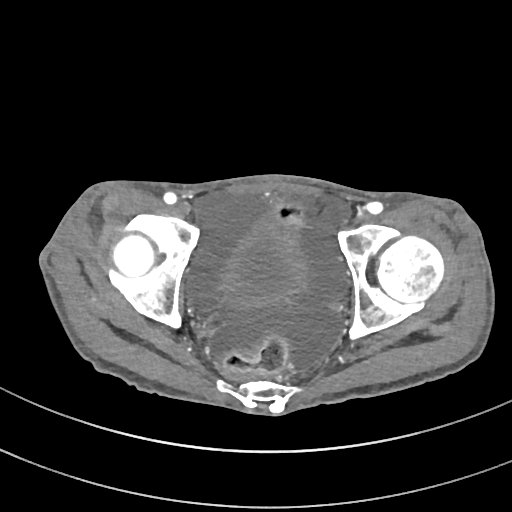
CT, abdomen/pelvis. axial plane, index 24. W/L 400/40 HU. SOMATOM Force scanner
{"organs":{"bladder":[216,212,315,310]}}